CT abdomen · axial view · soft-tissue window (W 400 / L 40) · 512x512 px
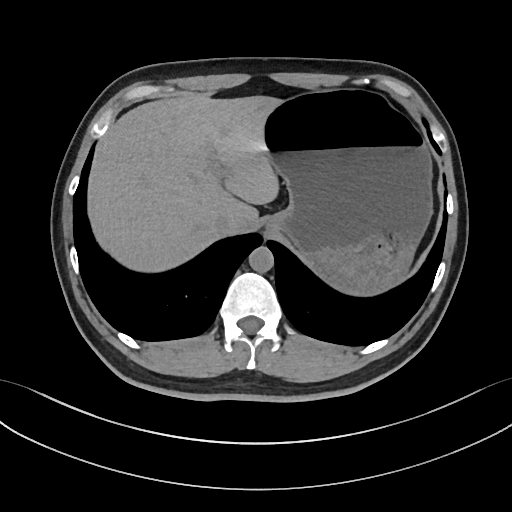
Box edges are left/top/right/bottom in pixels.
Organ bounding boxes:
- liver: left=86, top=96, right=280, bottom=271
- stomach: left=262, top=90, right=432, bottom=297
- aorta: left=248, top=246, right=273, bottom=271
- inferior vena cava: left=213, top=215, right=229, bottom=235